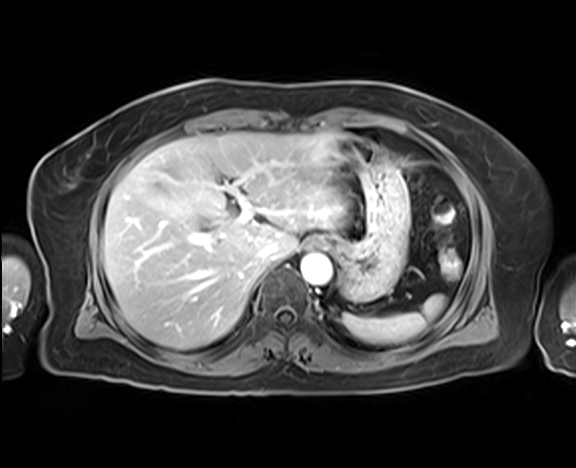
Abdominal MR · Axial slice 51/72 · 1st–99th percentile window
Boxes: x1 y1 x2 y2 (pixel coords, space-separated).
Organ bounding boxes:
- stomach: 327 135 409 302
- liver: 103 132 347 349
- spleen: 342 295 445 343
- esophagus: 310 236 329 248
- aorta: 301 253 331 285
- inferior vena cava: 260 243 277 262